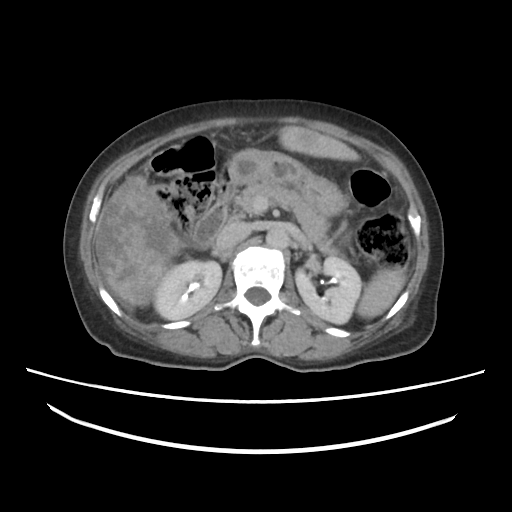

CT, abdomen/pelvis; axial plane, index 63; 71-year-old female patient
Bounding boxes in pixels, one row per box: x1, y1 is the top-left corner and x2, y2 the bottom-right.
| organ | x1 | y1 | x2 | y2 |
|---|---|---|---|---|
| right kidney | 153 | 259 | 221 | 318 |
| right adrenal gland | 213 | 251 | 230 | 263 |
| pancreas | 235 | 179 | 339 | 255 |
| inferior vena cava | 214 | 219 | 250 | 250 |
| left kidney | 294 | 255 | 363 | 323 |
| duodenum | 191 | 159 | 236 | 245 |
| stomach | 233 | 150 | 348 | 220 |
| spleen | 356 | 267 | 405 | 318 |
| liver | 94 | 127 | 359 | 306 |
| aorta | 266 | 225 | 288 | 247 |